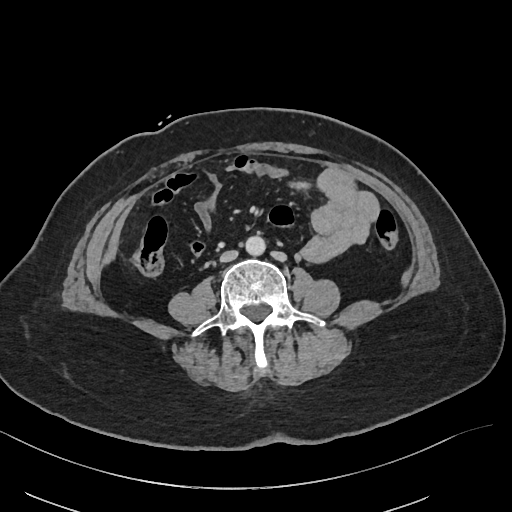
Computed tomography, abdomen — axial view — soft-tissue window (W 400 / L 40)
Each box given as x1,y1,x2,y2. The annotated organs in this slice are: aorta at x1=245, y1=236, x2=265, y2=255, inferior vena cava at x1=220, y1=250, x2=238, y2=262.